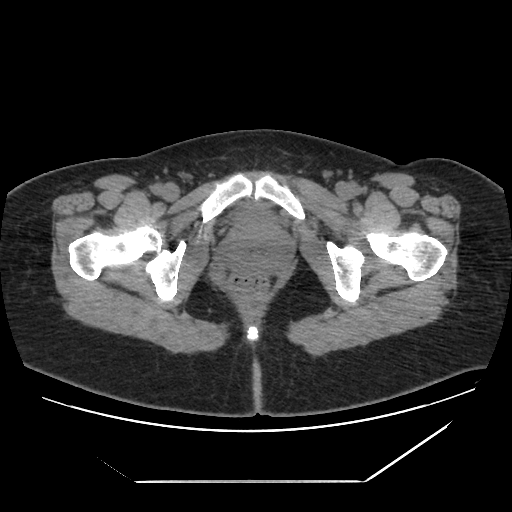 CT abdomen · Axial slice 15/345 · 512x512 px · 15 organs annotated in this scan (that count is for the whole scan; organs this slice misses have no box)
Box edges are left/top/right/bottom in pixels. The annotated organs in this slice are: bladder at left=235, top=205, right=272, bottom=226.